Computed tomography, abdomen; Axial slice 19/72; 34-year-old female patient
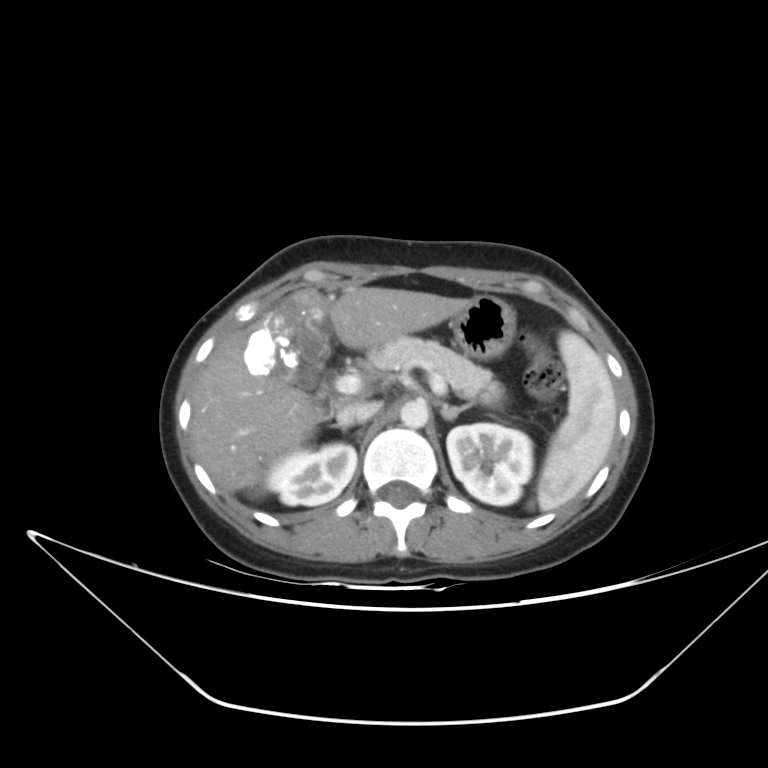
Boxes: x1 y1 x2 y2 (pixel coords, space-separated). The annotated organs in this slice are: spleen at 536 331 616 511, right kidney at 266 442 356 505, left kidney at 446 423 532 505, gall bladder at 292 317 331 389, liver at 190 287 468 494, stomach at 451 295 515 359, aorta at 399 399 429 428, inferior vena cava at 337 401 382 424, pancreas at 359 335 502 403, right adrenal gland at 332 422 350 430, left adrenal gland at 440 400 477 420.